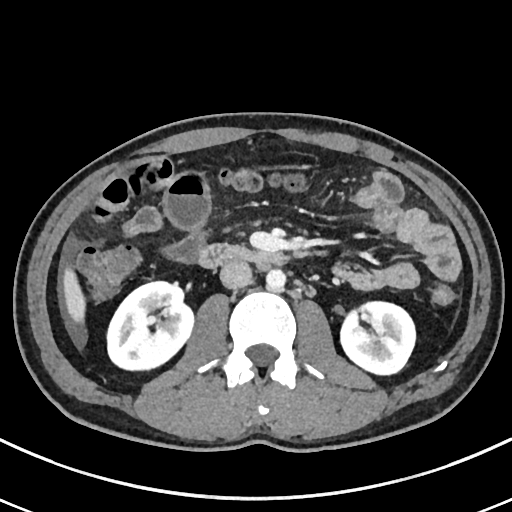
CT, abdomen/pelvis · axial view · soft-tissue window (W 400 / L 40) · acquired on SOMATOM Force · scan has 15 labeled organs (counted over the whole 3D scan, not this slice; an organ is boxed only where this slice passes through it)
{"organs":{"right kidney":[107,281,193,371],"left kidney":[340,302,415,375],"liver":[63,265,85,325],"aorta":[266,269,285,290],"inferior vena cava":[220,260,252,289],"duodenum":[196,243,289,268]}}